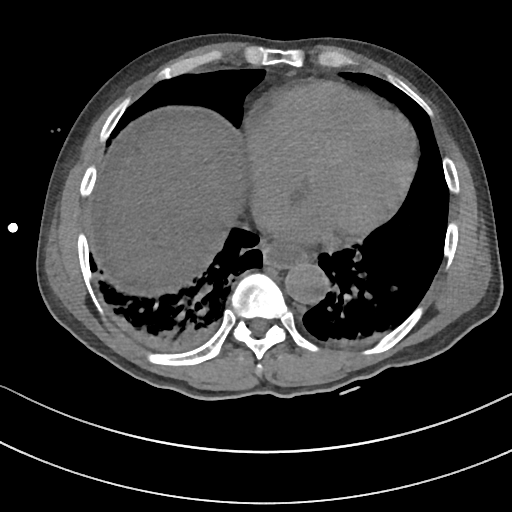

Computed tomography, abdomen · axial view · 512x512 px
<organs><organ name="esophagus" x1="261" y1="243" x2="307" y2="267"/><organ name="liver" x1="104" y1="120" x2="246" y2="293"/><organ name="aorta" x1="285" y1="262" x2="328" y2="304"/><organ name="inferior vena cava" x1="253" y1="198" x2="276" y2="222"/></organs>